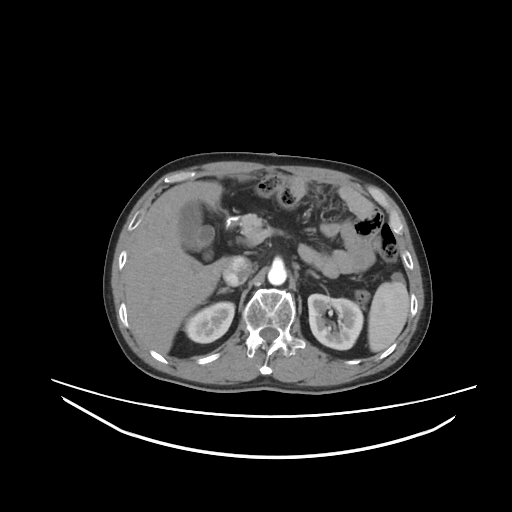
Abdominal CT; axial plane, index 72; soft-tissue window; Aquilion ONE scanner; scan has 15 labeled organs (that count is for the whole scan; organs this slice misses have no box)
Each box given as x1,y1,x2,y2. 10 labeled organs on this slice — spleen at x1=368, y1=282, x2=409, y2=352; right kidney at x1=184, y1=302, x2=234, y2=343; left kidney at x1=308, y1=294, x2=362, y2=349; gall bladder at x1=179, y1=200, x2=214, y2=259; liver at x1=123, y1=180, x2=228, y2=354; aorta at x1=267, y1=265, x2=286, y2=285; inferior vena cava at x1=223, y1=256, x2=252, y2=286; pancreas at x1=240, y1=214, x2=265, y2=236; right adrenal gland at x1=218, y1=287, x2=232, y2=293; left adrenal gland at x1=308, y1=270, x2=318, y2=278.